Computed tomography, abdomen. axial view
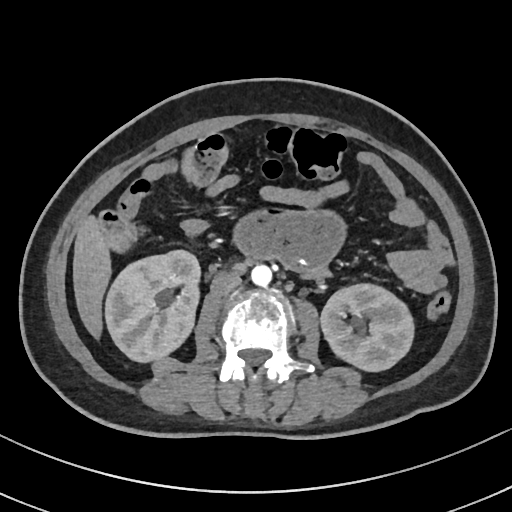 Coordinates as <box>x1,y1,x2,y2</box> in pixels.
Organ bounding boxes:
- right kidney: <box>106,251,199,363</box>
- aorta: <box>251,265,271,286</box>
- inferior vena cava: <box>210,271,241,295</box>
- left kidney: <box>320,283,415,372</box>
- liver: <box>72,213,112,342</box>